Computed tomography, abdomen · axial view · soft-tissue window · 512x512 px · SOMATOM Force scanner · scan has 15 labeled organs (counted over the whole 3D scan, not this slice; an organ is boxed only where this slice passes through it)
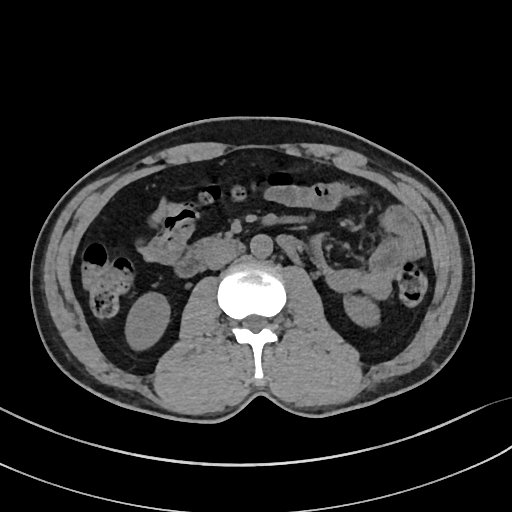 Box edges are left/top/right/bottom in pixels.
right kidney: left=124, top=291, right=170, bottom=350
left kidney: left=343, top=295, right=378, bottom=325
aorta: left=250, top=235, right=272, bottom=258
inferior vena cava: left=205, top=245, right=236, bottom=270
duodenum: left=172, top=235, right=299, bottom=278